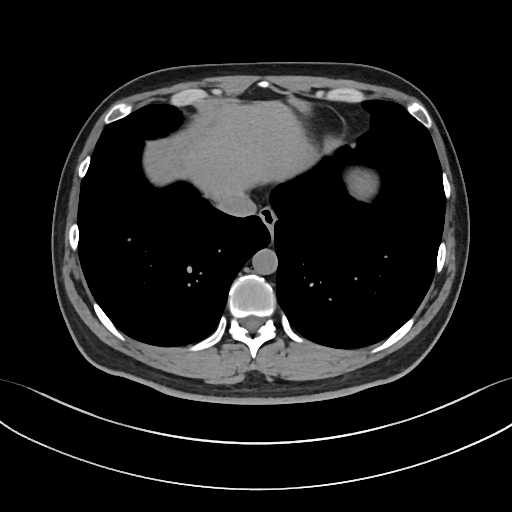 CT, abdomen/pelvis · axial view · scan has 15 labeled organs (counted over the whole 3D scan, not this slice; an organ is boxed only where this slice passes through it)
Bounding boxes as [x1, y1, x2, y2] in pixel coordinates.
Organ bounding boxes:
- aorta: [252, 248, 278, 274]
- liver: [186, 101, 311, 197]
- inferior vena cava: [220, 192, 258, 217]
- esophagus: [259, 207, 276, 231]